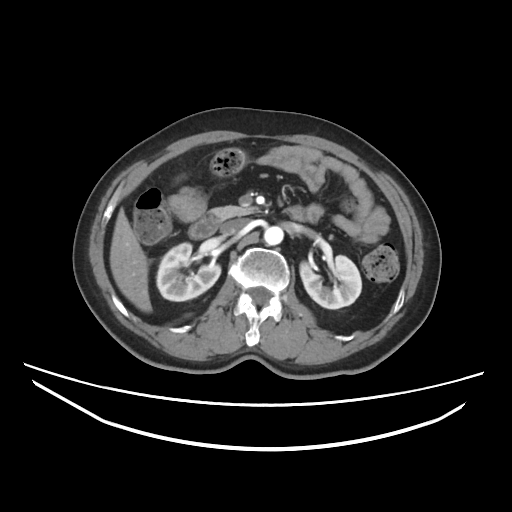

CT, abdomen/pelvis · axial view
Coordinates as <box>x1,y1,x2,y2</box> in pixels. 7 labeled organs on this slice — right kidney at <box>156,242,220,301</box>; left kidney at <box>300,255,361,308</box>; liver at <box>110,208,151,312</box>; aorta at <box>264,226,283,245</box>; inferior vena cava at <box>220,218,249,235</box>; pancreas at <box>210,206,257,220</box>; duodenum at <box>188,207,317,239</box>.